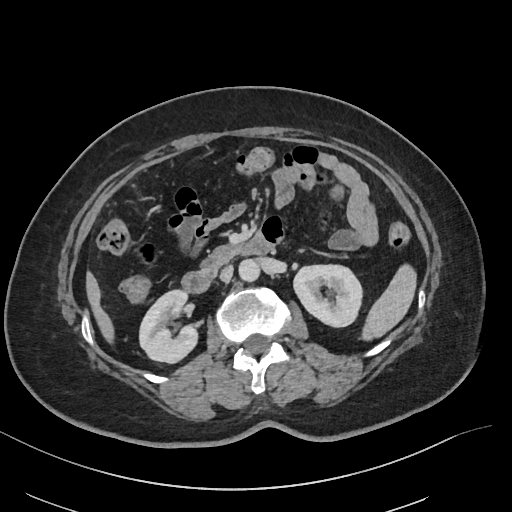
Computed tomography, abdomen · Axial slice 155/244 · 512x512 px · SOMATOM Force scanner
{"organs":{"spleen":[362,263,417,339],"right kidney":[140,290,199,364],"left kidney":[293,264,361,327],"liver":[86,271,115,344],"aorta":[239,260,260,282],"inferior vena cava":[219,265,233,282],"pancreas":[200,246,239,270],"duodenum":[180,238,276,293]}}